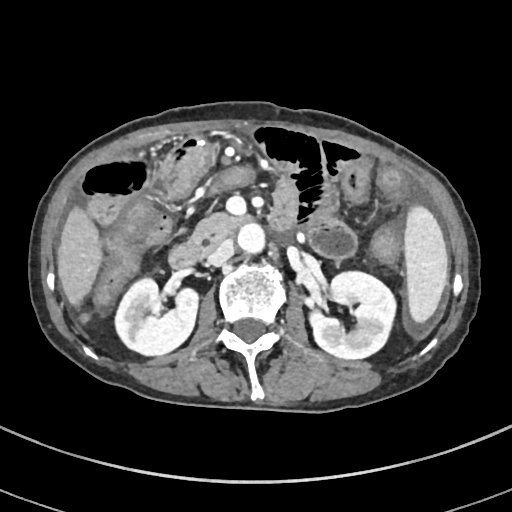 CT, abdomen/pelvis; axial view; 512x512 px; SOMATOM Force scanner; 14 organs annotated in this scan (a whole-scan count: organs this slice does not pass through have no box)
{"organs":{"spleen":[405,205,450,324],"right kidney":[116,279,199,356],"left kidney":[308,272,396,359],"liver":[56,203,102,325],"aorta":[237,223,266,256],"inferior vena cava":[206,239,233,265],"pancreas":[188,212,254,244],"duodenum":[167,180,297,268]}}